Abdominal CT. axial view. soft-tissue window
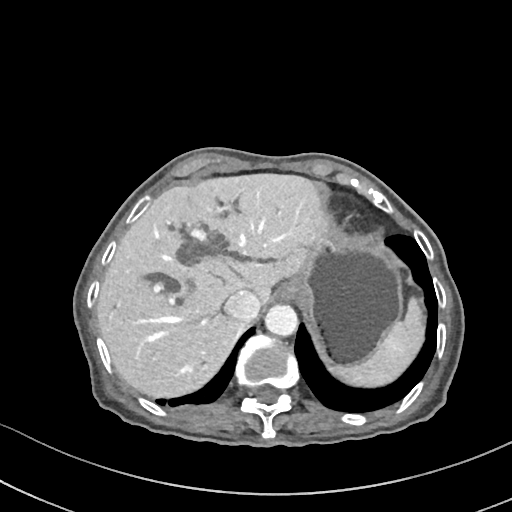 Coordinates as <box>x1,y1,x2,y2</box> in pixels.
Organ bounding boxes:
- spleen: <box>331,296,423,386</box>
- esophagus: <box>275,283,298,302</box>
- liver: <box>97,174,327,396</box>
- stomach: <box>293,233,401,365</box>
- aorta: <box>265,304,297,336</box>
- inferior vena cava: <box>223,290,260,320</box>